Abdominal CT · Axial slice 84/100 · abdomen soft-tissue window · 512x512 px · 75-year-old female patient
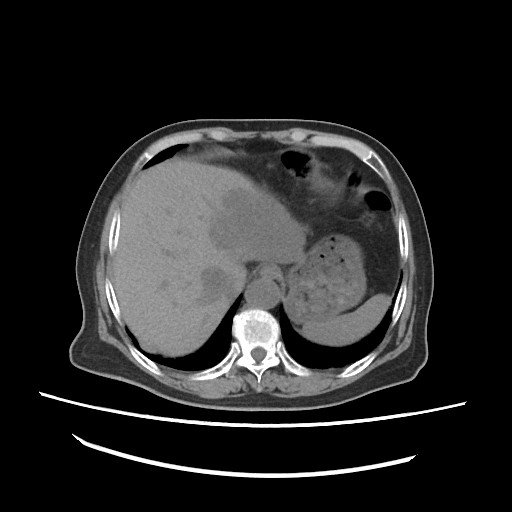 Boxes: x1 y1 x2 y2 (pixel coords, space-separated). The annotated organs in this slice are: liver at 114 158 305 356, stomach at 285 240 366 323, esophagus at 256 266 277 278, aorta at 245 279 279 308, spleen at 303 294 390 346, inferior vena cava at 203 268 242 300.